Magnetic resonance imaging, abdomen; Coronal slice 46/60; 1st–99th percentile window; 320x320 px; scan has 13 labeled organs (that count is for the whole scan; organs this slice misses have no box)
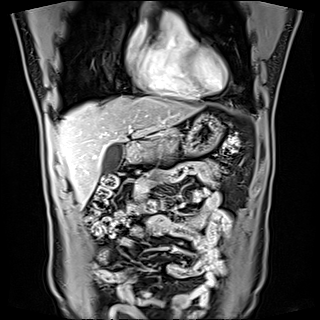
Boxes are (x1, y1, x2, y2) in pixels.
gall bladder: (102, 142, 123, 174)
liver: (56, 96, 197, 206)
stomach: (129, 114, 222, 161)
pancreas: (146, 129, 177, 154)
duodenum: (126, 140, 141, 159)